Computed tomography, abdomen · axial plane, index 117 · acquired on SOMATOM Force
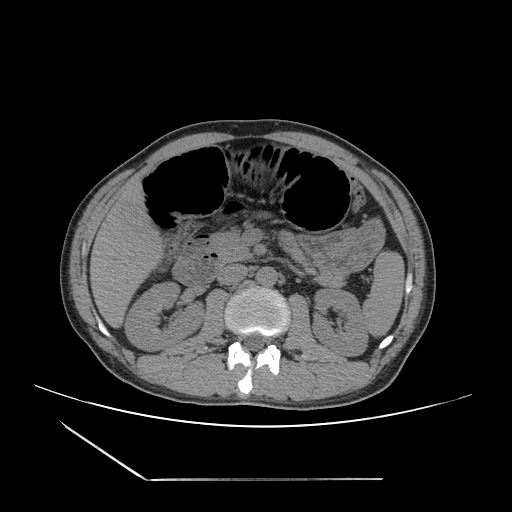 Bounding boxes as [x1, y1, x2, y2] in pixel coordinates. 9 labeled organs on this slice — spleen at [362, 251, 404, 336]; right kidney at [125, 282, 203, 350]; left kidney at [312, 288, 367, 356]; liver at [90, 180, 163, 328]; stomach at [299, 222, 383, 270]; aorta at [256, 267, 277, 286]; inferior vena cava at [217, 264, 247, 284]; pancreas at [208, 230, 343, 285]; duodenum at [172, 247, 222, 285].